Computed tomography, abdomen · axial view · soft-tissue window (W 400 / L 40) · 512x512 px
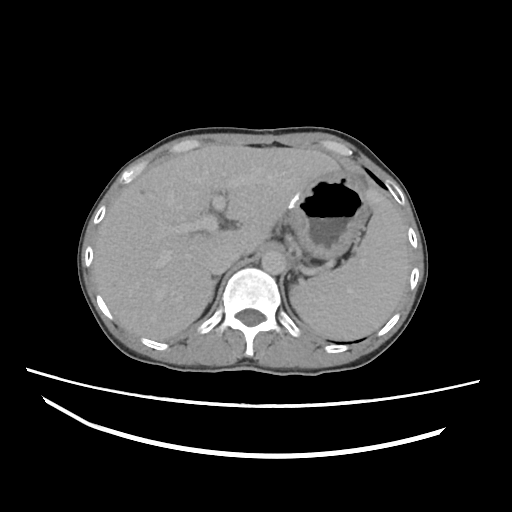 Box edges are left/top/right/bottom in pixels. Labeled organs on this slice: spleen at left=291, top=190, right=409, bottom=339, liver at left=94, top=144, right=340, bottom=341, stomach at left=287, top=169, right=370, bottom=260, aorta at left=260, top=248, right=286, bottom=274, inferior vena cava at left=205, top=242, right=240, bottom=274, right adrenal gland at left=208, top=278, right=219, bottom=302.